CT abdomen · axial plane, index 219 · 512x512 px · scan has 15 labeled organs (that count is for the whole scan; organs this slice misses have no box)
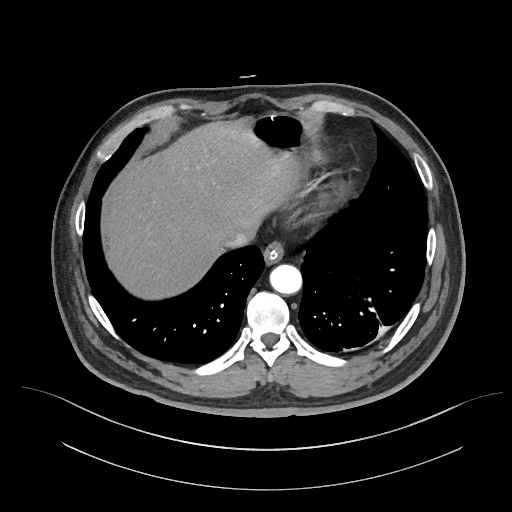 Each box given as x1,y1,x2,y2.
Organ bounding boxes:
- esophagus: x1=263, y1=241, x2=284, y2=264
- liver: x1=101, y1=120, x2=300, y2=299
- stomach: x1=249, y1=114, x2=309, y2=154
- aorta: x1=270, y1=264, x2=301, y2=294
- inferior vena cava: x1=223, y1=229, x2=256, y2=248